CT abdomen. axial view. W/L 400/40 HU
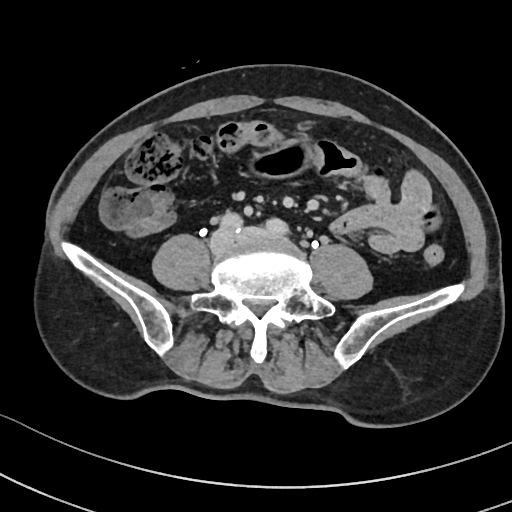 Coordinates as <box>x1,y1,x2,y2</box> in pixels.
stomach: <box>241,139,309,178</box>